Computed tomography, abdomen; axial plane, index 52; soft-tissue window (W 400 / L 40); 512x512 px; 46-year-old male patient; acquired on Aquilion ONE
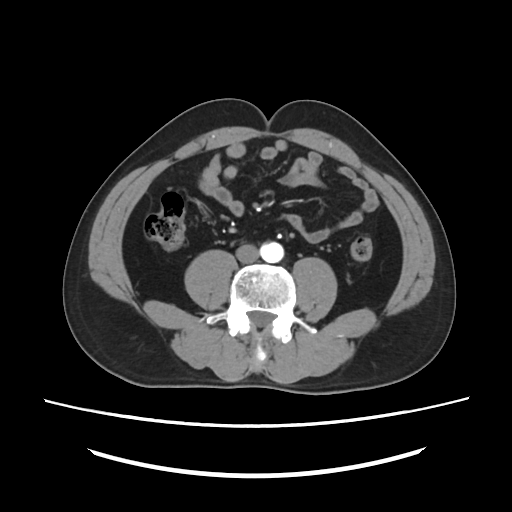 {"organs":{"inferior vena cava":[236,244,259,263],"aorta":[260,241,283,263]}}